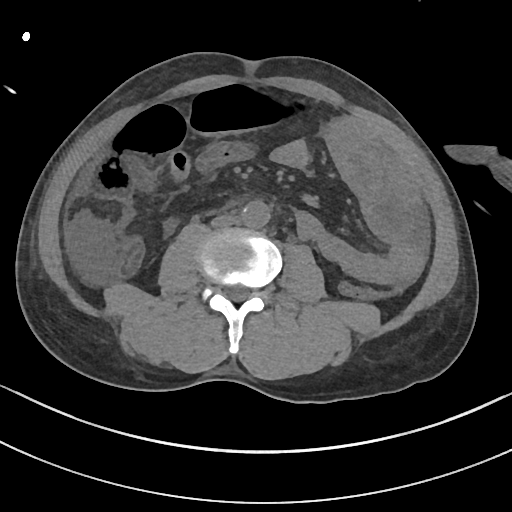
CT abdomen · axial view · soft-tissue window (W 400 / L 40)
Bounding boxes as [x1, y1, x2, y2] in pixel coordinates. Labeled organs on this slice: aorta at [242, 201, 271, 228], inferior vena cava at [211, 214, 237, 228].